Lower-chest slice from an abdominal CT, just above the liver and spleen. axial plane, index 85. 80-year-old female patient. Brilliance16 scanner
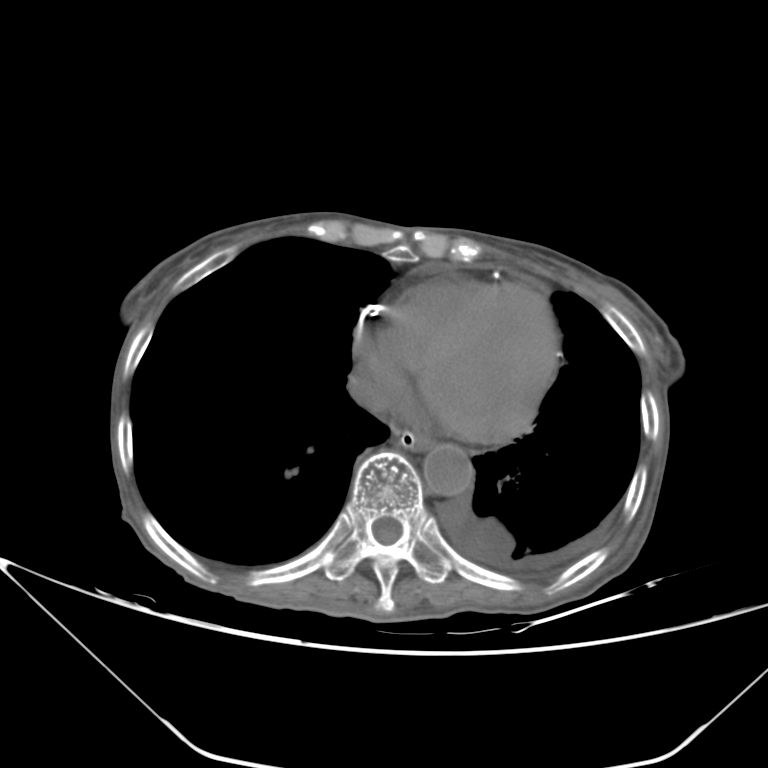
The heart and lungs are never labeled in this dataset, so they have no box on this slice. Coordinates as <box>x1,y1,x2,y2</box> in pixels. Labeled organs on this slice: inferior vena cava at <box>349,367,387,410</box>, aorta at <box>423,444,473,496</box>, esophagus at <box>393,428,431,450</box>.